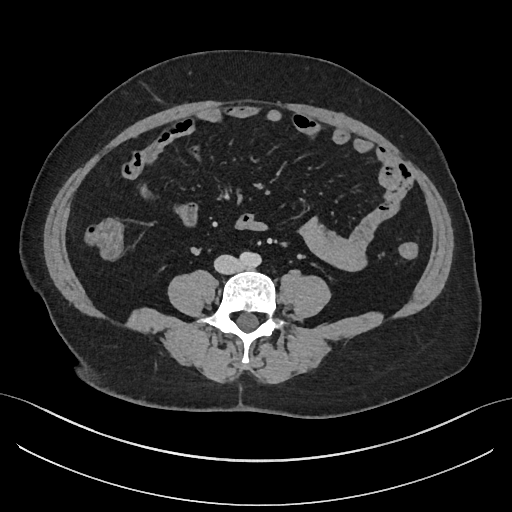
Abdominal CT. axial view
Organ boxes in pixel coordinates; each row gives the top-left (x1, y1) and bottom-right (x2, y2) corners.
| organ | x1 | y1 | x2 | y2 |
|---|---|---|---|---|
| aorta | 240 | 251 | 260 | 267 |
| inferior vena cava | 214 | 255 | 241 | 274 |